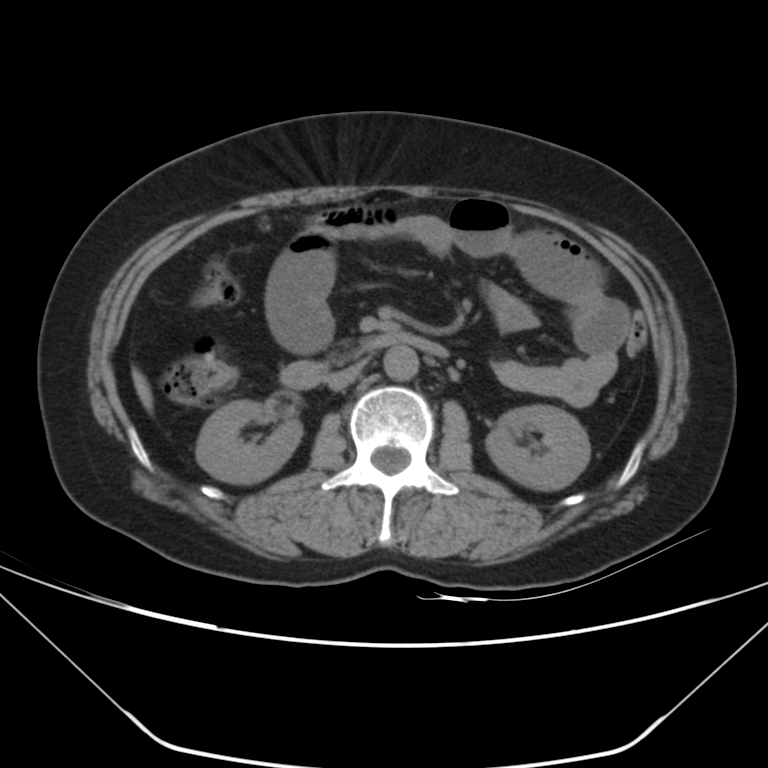

CT, abdomen/pelvis; axial view; soft-tissue window (W 400 / L 40); 40-year-old male patient
Bounding boxes in pixels, one row per box: x1, y1 is the top-left corner and x2, y2 the bottom-right.
| organ | x1 | y1 | x2 | y2 |
|---|---|---|---|---|
| right kidney | 196 | 400 | 302 | 484 |
| left kidney | 485 | 405 | 589 | 491 |
| liver | 132 | 367 | 154 | 412 |
| aorta | 383 | 347 | 418 | 381 |
| inferior vena cava | 327 | 360 | 364 | 390 |
| duodenum | 280 | 329 | 448 | 389 |